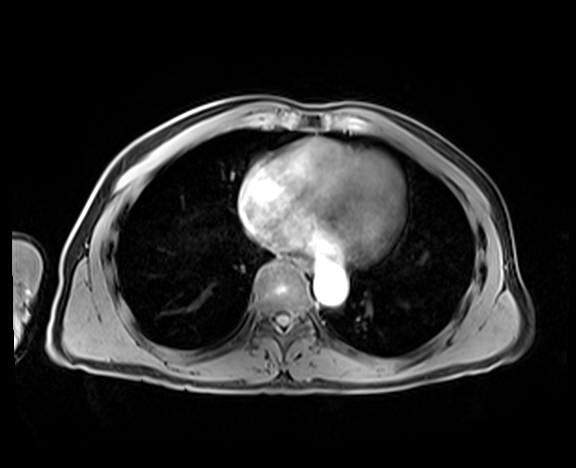 MRI of the abdomen reaching into the lower chest, slice just above the liver and spleen · Axial slice 67/72 · 1st–99th percentile window · Prisma scanner
The heart and lungs are never labeled in this dataset, so they have no box on this slice.
Boxes: x1:y1:x2:y2 in pixels.
esophagus: 294:258:311:272
aorta: 314:266:347:304